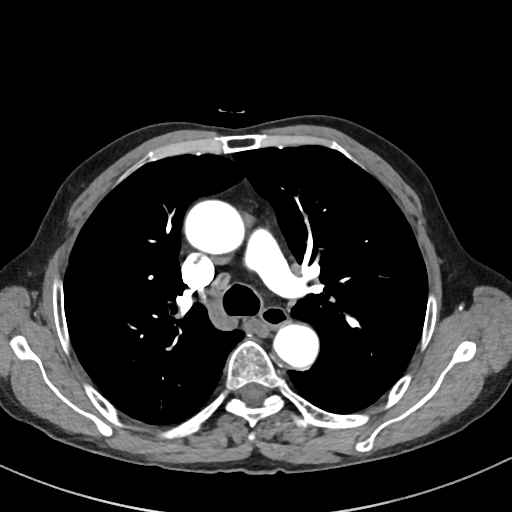
Chest-level slice from an abdominal CT that extends up into the chest · axial plane, index 256 · soft-tissue window · scan has 15 labeled organs (that count is for the whole scan; organs this slice misses have no box)
On a slice this high in the chest, this dataset labels only the esophagus and the aorta, and each is boxed only where it is labeled; the heart, lungs and other chest structures are not labeled.
{"organs":{"aorta":[[184,200,244,254],[273,323,318,369]],"esophagus":[261,307,287,328]}}